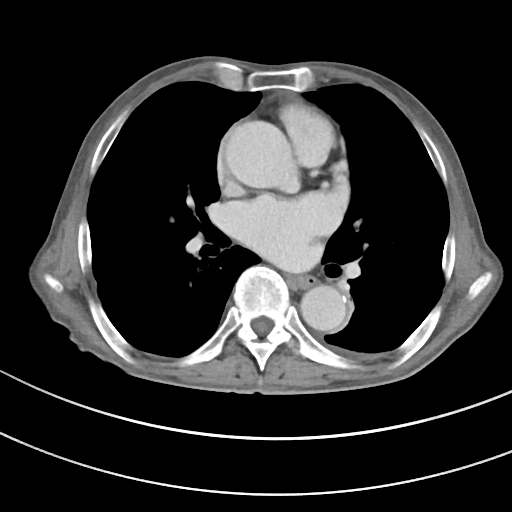 Abdominal CT reaching into the chest; this slice is in the chest — axial plane, index 88 — soft-tissue window, W/L 400/40 — 512x512 px — 15 organs annotated in this scan (that count is for the whole scan; organs this slice misses have no box)
On a slice this high in the chest, this dataset labels only the esophagus and the aorta, and each is boxed only where it is labeled; the heart, lungs and other chest structures are not labeled.
<organs><organ name="esophagus" x1="288" y1="275" x2="316" y2="288"/><organ name="aorta" x1="225" y1="121" x2="299" y2="193"/><organ name="aorta" x1="300" y1="285" x2="346" y2="330"/></organs>